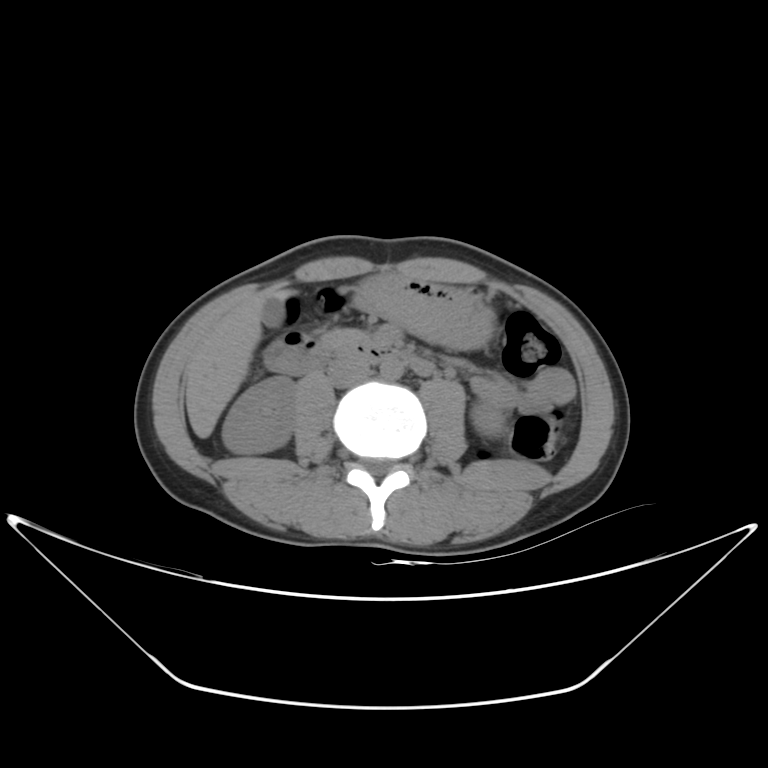

Computed tomography, abdomen. axial view. Brilliance16 scanner. 15 organs annotated in this scan (a whole-scan count: organs this slice does not pass through have no box)
<organs><organ name="right kidney" x1="222" y1="376" x2="296" y2="453"/><organ name="left kidney" x1="471" y1="402" x2="504" y2="436"/><organ name="gall bladder" x1="262" y1="297" x2="283" y2="327"/><organ name="liver" x1="186" y1="290" x2="293" y2="438"/><organ name="stomach" x1="353" y1="273" x2="496" y2="348"/><organ name="aorta" x1="380" y1="357" x2="403" y2="380"/><organ name="inferior vena cava" x1="328" y1="356" x2="370" y2="387"/><organ name="pancreas" x1="321" y1="329" x2="366" y2="353"/><organ name="duodenum" x1="264" y1="333" x2="435" y2="376"/></organs>